Magnetic resonance imaging, abdomen · axial view · 288x232 px · Prisma scanner · scan has 13 labeled organs (that count is for the whole scan; organs this slice misses have no box)
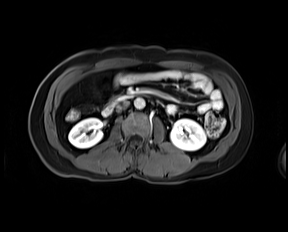
Boxes are (x1, y1, x2, y2) in pixels.
right kidney: (68, 118, 102, 148)
left kidney: (170, 118, 206, 150)
aorta: (134, 98, 145, 108)
duodenum: (102, 95, 133, 115)
inferior vena cava: (116, 101, 129, 111)